CT abdomen · axial plane, index 62 · abdomen soft-tissue window
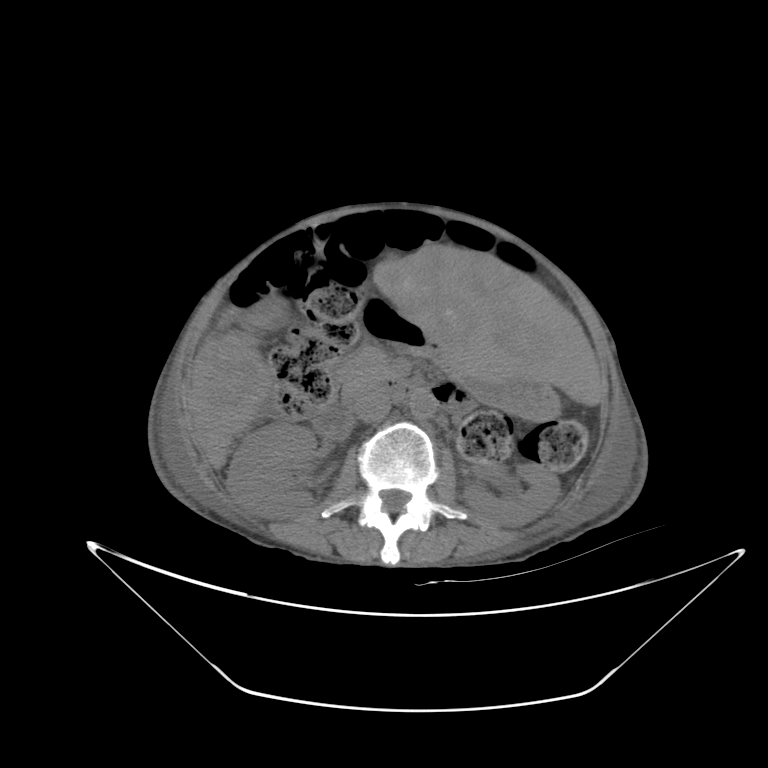 Bounding boxes in pixels, one row per box: x1, y1 is the top-left corner and x2, y2 the bottom-right.
| organ | x1 | y1 | x2 | y2 |
|---|---|---|---|---|
| left kidney | 463 | 463 | 559 | 526 |
| duodenum | 312 | 379 | 468 | 438 |
| liver | 190 | 245 | 604 | 467 |
| right kidney | 227 | 422 | 316 | 518 |
| gall bladder | 256 | 293 | 286 | 317 |
| stomach | 362 | 295 | 556 | 419 |
| pancreas | 338 | 345 | 398 | 397 |
| inferior vena cava | 353 | 387 | 391 | 422 |
| aorta | 408 | 390 | 437 | 419 |